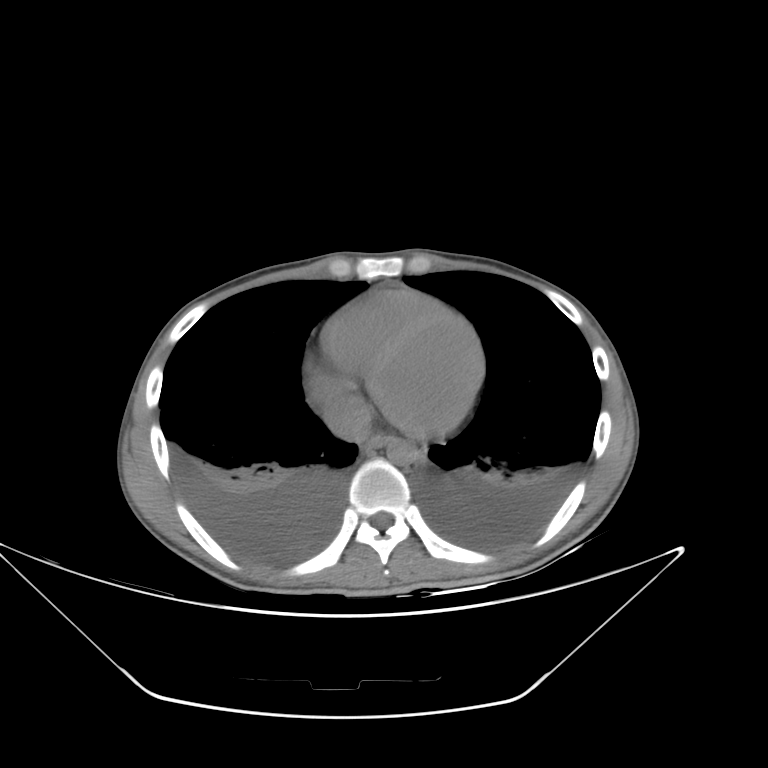
Lower-chest slice from an abdominal CT, just above the liver and spleen · axial view
The heart and lungs are never labeled in this dataset, so they have no box on this slice.
<organs><organ name="inferior vena cava" x1="323" y1="396" x2="372" y2="442"/><organ name="esophagus" x1="364" y1="433" x2="387" y2="450"/><organ name="aorta" x1="385" y1="436" x2="418" y2="465"/></organs>